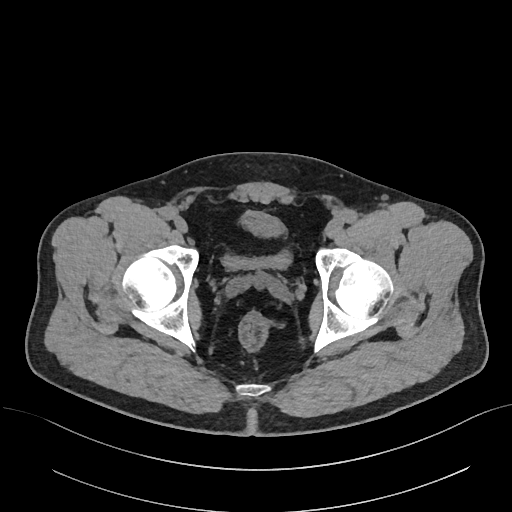

CT, abdomen/pelvis; axial plane, index 39
Boxes: x1 y1 x2 y2 (pixel coords, space-separated).
bladder: 222 212 291 269